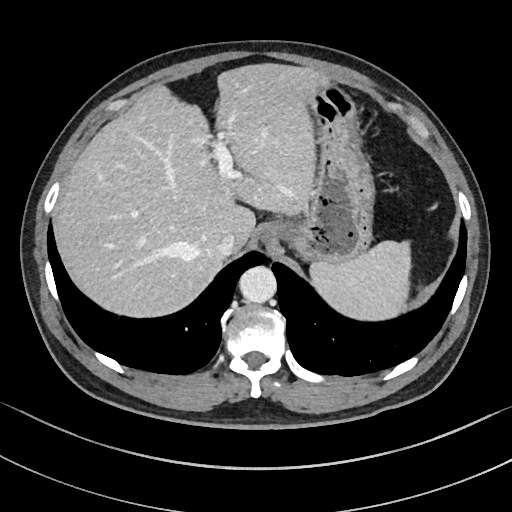

CT, abdomen/pelvis. axial plane, index 189
Organ boxes in pixel coordinates; each row gives the top-left (x1, y1) and bottom-right (x2, y2) corners.
| organ | x1 | y1 | x2 | y2 |
|---|---|---|---|---|
| inferior vena cava | 217 | 233 | 238 | 256 |
| spleen | 308 | 238 | 410 | 321 |
| aorta | 238 | 266 | 275 | 303 |
| liver | 53 | 62 | 325 | 317 |
| stomach | 261 | 77 | 376 | 264 |